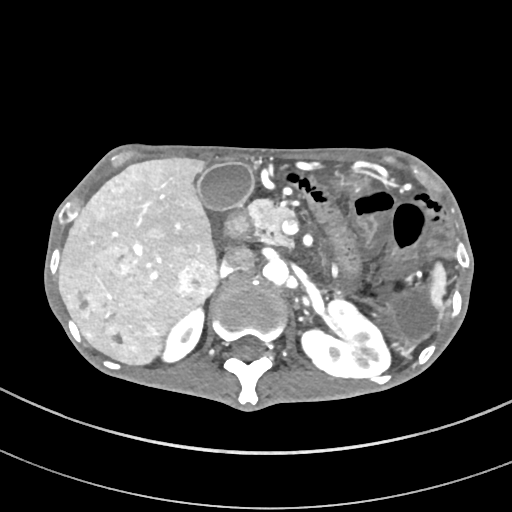 CT abdomen; axial view; abdomen soft-tissue window; 512x512 px
One row per box, in pixels: columns x1 and y1 give the top-left corner, x2 and y2 the bottom-right.
| organ | x1 | y1 | x2 | y2 |
|---|---|---|---|---|
| spleen | 430 | 260 | 445 | 309 |
| right kidney | 161 | 309 | 205 | 363 |
| left kidney | 300 | 299 | 392 | 378 |
| gall bladder | 195 | 163 | 252 | 211 |
| liver | 58 | 158 | 220 | 365 |
| stomach | 333 | 174 | 370 | 194 |
| aorta | 263 | 259 | 290 | 287 |
| inferior vena cava | 223 | 248 | 254 | 274 |
| pancreas | 250 | 199 | 297 | 246 |
| duodenum | 224 | 209 | 252 | 237 |